CT, abdomen/pelvis — axial view — soft-tissue window (W 400 / L 40) — 69-year-old male patient — scan has 15 labeled organs (a whole-scan count: organs this slice does not pass through have no box)
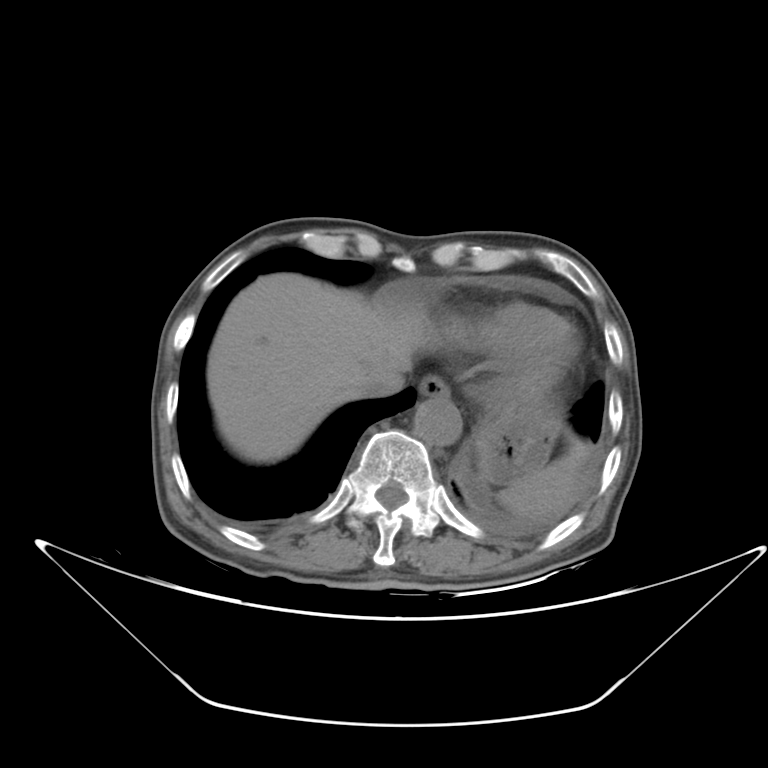

Boxes: x1:y1:x2:y2 in pixels.
Organ bounding boxes:
- spleen: 494:459:581:519
- liver: 207:272:566:459
- inferior vena cava: 344:366:403:398
- esophagus: 417:377:449:399
- stomach: 471:395:562:481
- aorta: 412:397:461:449